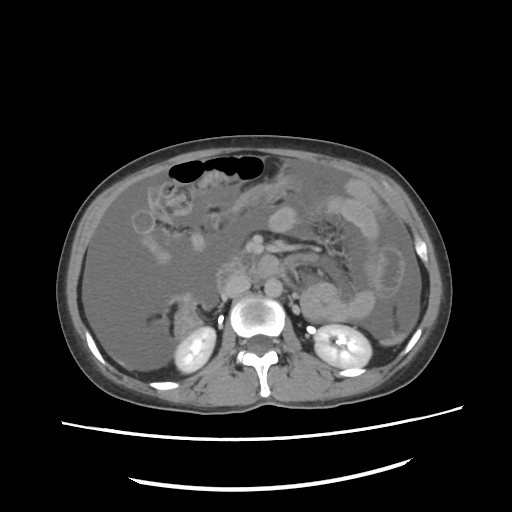 Abdominal CT — axial view — soft-tissue window (W 400 / L 40) — 512x512 px
Boxes: x1:y1:x2:y2 in pixels. 5 labeled organs on this slice — inferior vena cava at 226:276:250:297; duodenum at 215:252:259:292; aorta at 264:278:282:297; left kidney at 314:324:371:368; right kidney at 173:327:215:373.